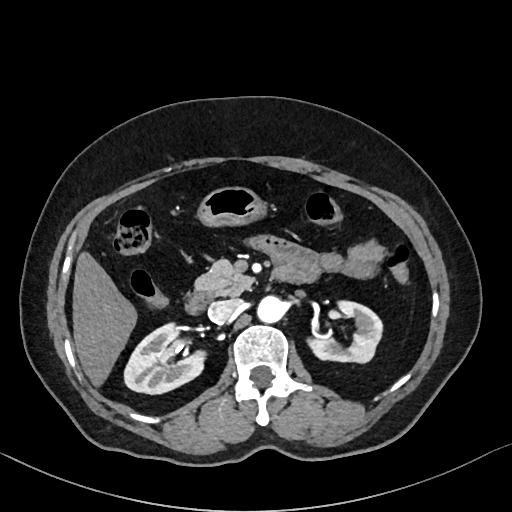

CT abdomen; axial view; W/L 400/40 HU; 512x512 px
<organs><organ name="right kidney" x1="124" y1="325" x2="205" y2="394"/><organ name="left kidney" x1="304" y1="302" x2="381" y2="364"/><organ name="liver" x1="72" y1="249" x2="137" y2="390"/><organ name="stomach" x1="197" y1="186" x2="267" y2="226"/><organ name="aorta" x1="256" y1="296" x2="285" y2="323"/><organ name="inferior vena cava" x1="207" y1="299" x2="239" y2="322"/><organ name="pancreas" x1="194" y1="258" x2="253" y2="296"/><organ name="duodenum" x1="184" y1="293" x2="209" y2="315"/></organs>